MRI, abdomen · Axial slice 15/72 · 1st–99th percentile window · 576x468 px
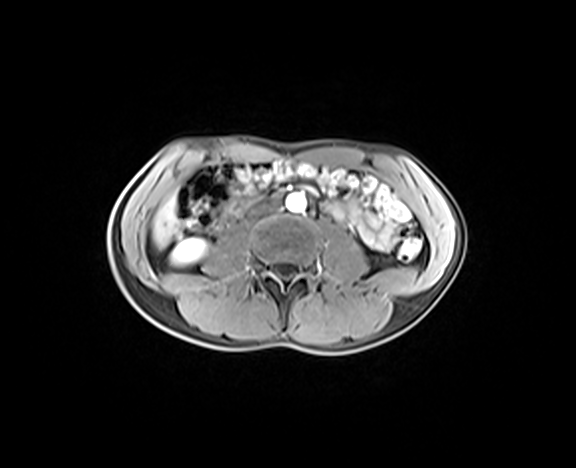

Bounding boxes as [x1, y1, x2, y2] in pixel coordinates. The annotated organs in this slice are: liver at [153, 199, 177, 248], right kidney at [172, 238, 205, 265], inferior vena cava at [251, 201, 279, 216], aorta at [285, 192, 306, 212].